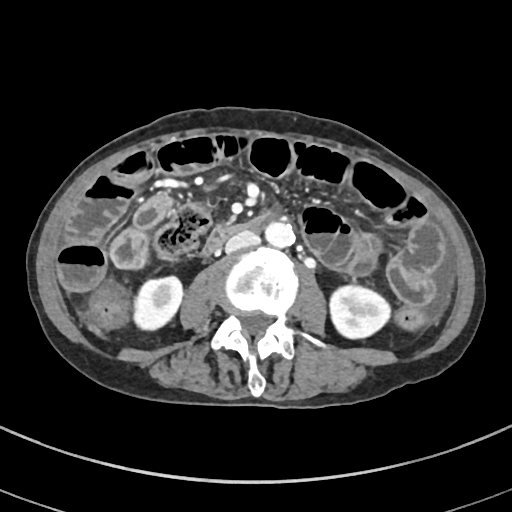

CT abdomen. axial plane, index 98. SOMATOM Force scanner
Bounding boxes in pixels, one row per box: x1, y1 is the top-left corner and x2, y2 the bottom-right.
| organ | x1 | y1 | x2 | y2 |
|---|---|---|---|---|
| duodenum | 202 | 213 | 268 | 258 |
| inferior vena cava | 225 | 230 | 259 | 252 |
| right kidney | 133 | 275 | 183 | 330 |
| aorta | 263 | 219 | 294 | 247 |
| left kidney | 328 | 283 | 392 | 340 |